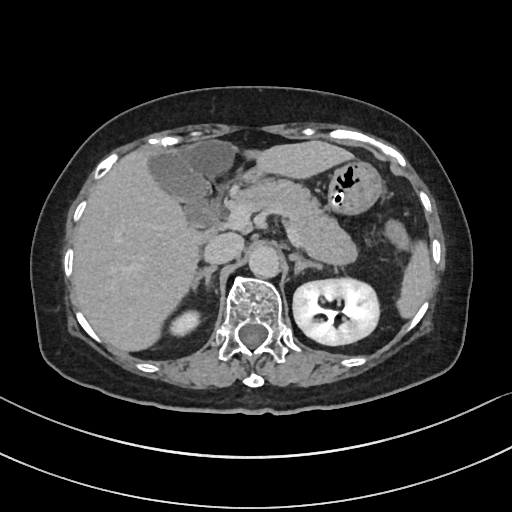
Computed tomography, abdomen. axial view. 512x512 px. scan has 15 labeled organs (counted over the whole 3D scan, not this slice; an organ is boxed only where this slice passes through it)
Each box given as x1,y1,x2,y2.
spleen: x1=397, y1=241, x2=431, y2=318
right kidney: x1=171, y1=311, x2=199, y2=335
left kidney: x1=293, y1=279, x2=378, y2=345
gall bladder: x1=146, y1=151, x2=212, y2=226
liver: x1=72, y1=138, x2=355, y2=353
stomach: x1=326, y1=162, x2=383, y2=213
aorta: x1=248, y1=246, x2=280, y2=278
inferior vena cava: x1=202, y1=233, x2=243, y2=264
pancreas: x1=229, y1=181, x2=358, y2=264
right adrenal gland: x1=191, y1=266, x2=217, y2=291
left adrenal gland: x1=290, y1=254, x2=322, y2=276
duodenum: x1=200, y1=168, x2=262, y2=227